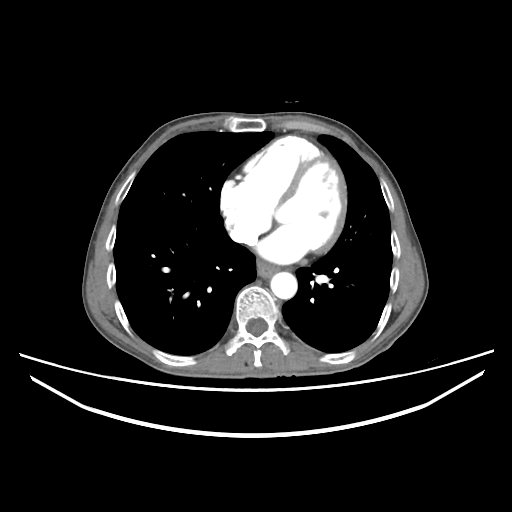

Lower-chest slice from an abdominal CT, just above the liver and spleen — axial view — soft-tissue window, W/L 400/40 — 50-year-old male patient
The heart and lungs are never labeled in this dataset, so they have no box on this slice.
Organ boxes in pixel coordinates; each row gives the top-left (x1, y1) and bottom-right (x2, y2) corners.
| organ | x1 | y1 | x2 | y2 |
|---|---|---|---|---|
| esophagus | 257 | 262 | 276 | 277 |
| aorta | 270 | 272 | 297 | 299 |